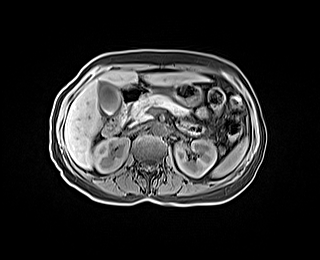
Abdominal MRI. axial view. percentile-normalized. scan has 13 labeled organs (a whole-scan count: organs this slice does not pass through have no box)
Boxes are (x1, y1, x2, y2) in pixels.
Organ bounding boxes:
- left kidney: (175, 140, 216, 176)
- aorta: (152, 124, 165, 135)
- duodenum: (103, 84, 149, 137)
- right kidney: (92, 137, 129, 172)
- gall bladder: (98, 82, 121, 115)
- stomach: (160, 84, 202, 105)
- liver: (64, 70, 208, 169)
- inferior vena cava: (134, 125, 143, 130)
- pancreas: (128, 95, 189, 121)
- spleen: (211, 138, 248, 177)